CT of the abdomen reaching into the lower chest, slice just above the liver and spleen — axial view — soft-tissue window (W 400 / L 40)
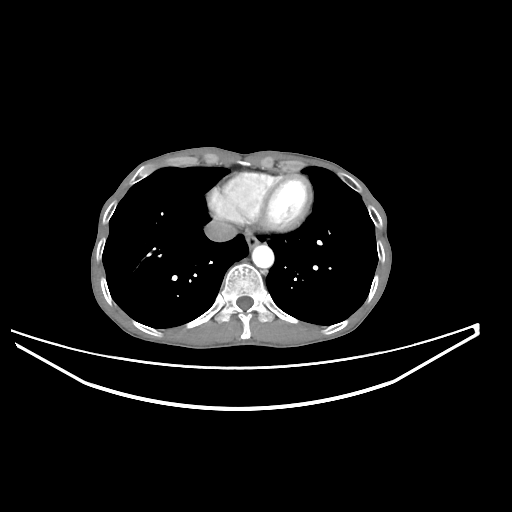 Of the structures in the chest, this dataset labels only the esophagus, the aorta and the inferior vena cava; the heart and lungs have no label.
Box edges are left/top/right/bottom in pixels.
Organ bounding boxes:
- esophagus: left=245, top=232, right=259, bottom=249
- aorta: left=252, top=245, right=274, bottom=268
- inferior vena cava: left=204, top=220, right=237, bottom=242